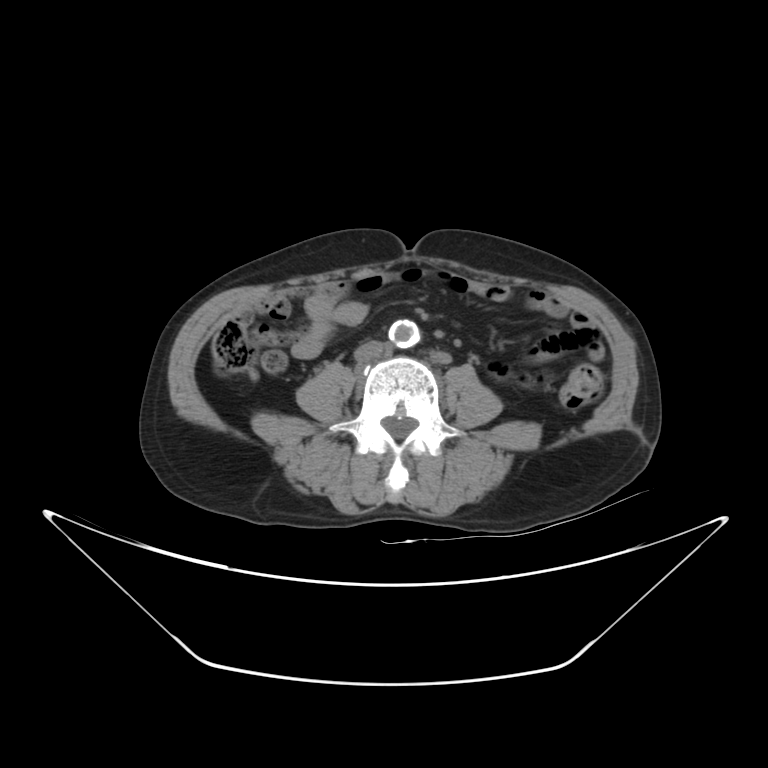 CT abdomen · axial plane, index 49 · 768x768 px · 59-year-old male patient
{"organs":{"aorta":[389,320,420,348],"inferior vena cava":[355,341,384,359]}}